CT abdomen; axial view; W/L 400/40 HU
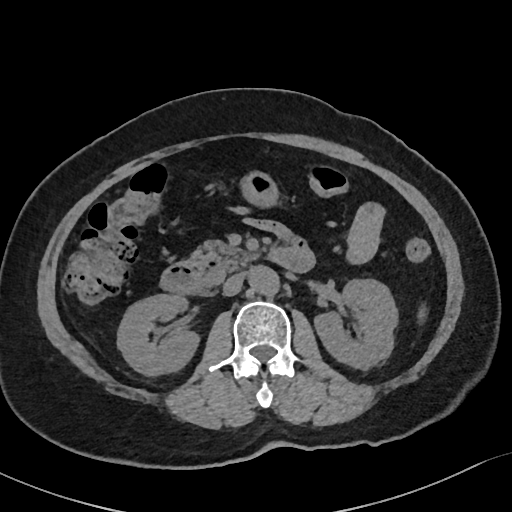
<organs><organ name="right kidney" x1="117" y1="294" x2="199" y2="375"/><organ name="inferior vena cava" x1="223" y1="273" x2="244" y2="295"/><organ name="left kidney" x1="314" y1="279" x2="397" y2="369"/><organ name="duodenum" x1="160" y1="240" x2="314" y2="294"/><organ name="spleen" x1="417" y1="305" x2="427" y2="322"/><organ name="aorta" x1="249" y1="266" x2="278" y2="296"/><organ name="pancreas" x1="191" y1="240" x2="258" y2="270"/><organ name="stomach" x1="240" y1="171" x2="279" y2="207"/></organs>